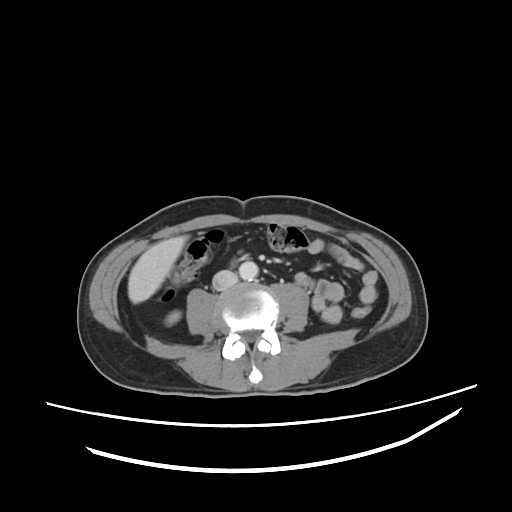
CT abdomen. axial view. 49-year-old male patient. Aquilion ONE scanner
Box edges are left/top/right/bottom in pixels.
aorta: left=239, top=261, right=258, bottom=280
inferior vena cava: left=212, top=270, right=237, bottom=290
liver: left=128, top=235, right=187, bottom=303
right kidney: left=166, top=311, right=180, bottom=324